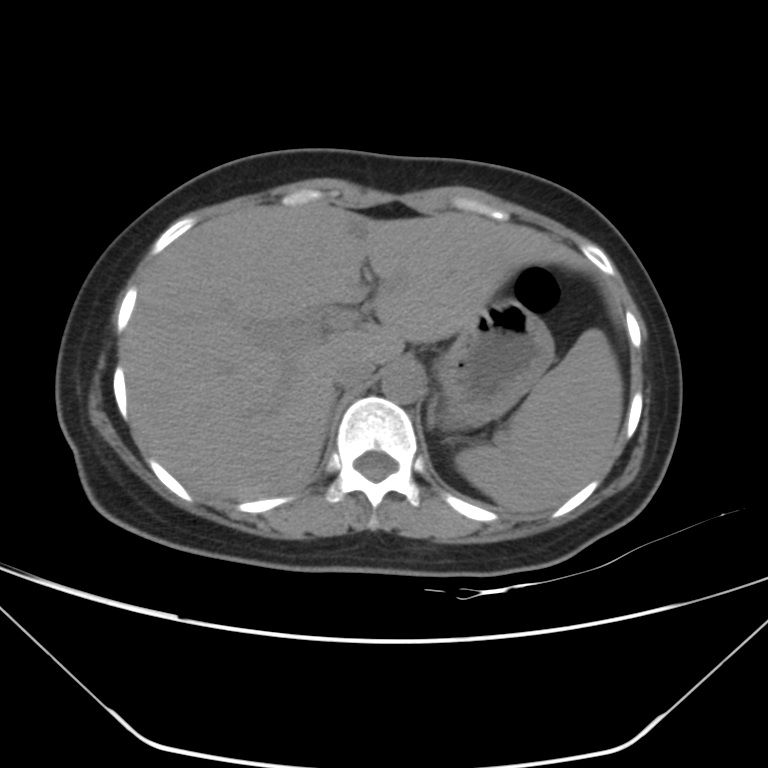

Computed tomography, abdomen. axial view. 768x768 px. 32-year-old female patient
Bounding boxes in pixels, one row per box: x1, y1 is the top-left corner and x2, y2 the bottom-right.
| organ | x1 | y1 | x2 | y2 |
|---|---|---|---|---|
| spleen | 457 | 328 | 623 | 513 |
| liver | 123 | 202 | 584 | 500 |
| stomach | 435 | 298 | 554 | 425 |
| aorta | 381 | 364 | 424 | 403 |
| inferior vena cava | 333 | 355 | 376 | 388 |
| left adrenal gland | 426 | 399 | 435 | 432 |